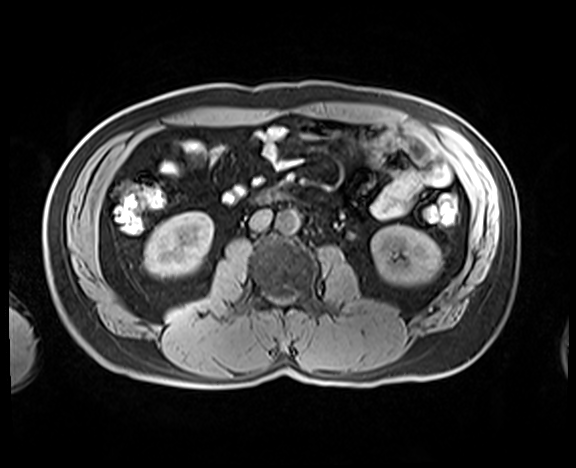
Abdominal MRI. Axial slice 9/72. 1st–99th percentile window. 576x468 px
One row per box, in pixels: columns x1 and y1 give the top-left corner, x2 and y2 the bottom-right.
| organ | x1 | y1 | x2 | y2 |
|---|---|---|---|---|
| right kidney | 144 | 212 | 213 | 277 |
| left kidney | 371 | 225 | 441 | 285 |
| aorta | 276 | 209 | 300 | 233 |
| inferior vena cava | 249 | 209 | 271 | 230 |
| duodenum | 255 | 190 | 286 | 204 |